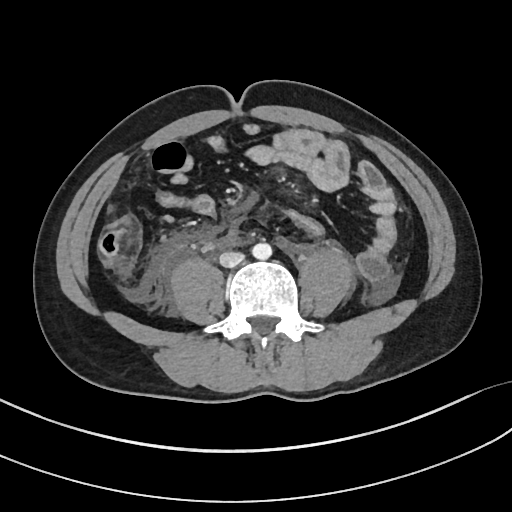 Computed tomography, abdomen · axial view · 15 organs annotated in this scan (counted over the whole 3D scan, not this slice; an organ is boxed only where this slice passes through it)
Boxes: x1:y1:x2:y2 in pixels. Labeled organs on this slice: inferior vena cava at 219:251:244:267, aorta at 251:243:271:259.